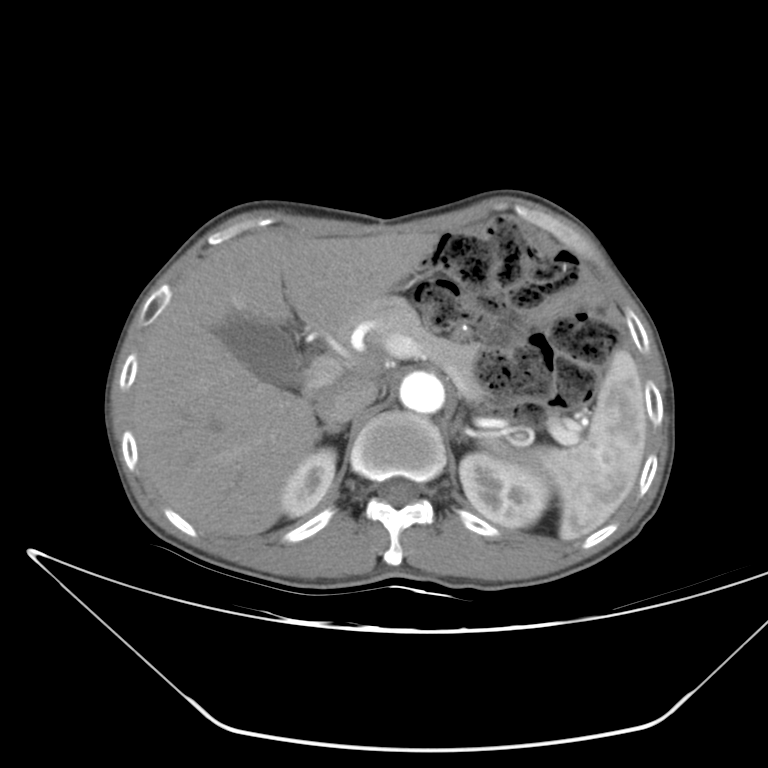
Computed tomography, abdomen · axial view · W/L 400/40 HU
<organs><organ name="gall bladder" x1="218" y1="316" x2="302" y2="385"/><organ name="spleen" x1="485" y1="349" x2="647" y2="540"/><organ name="right adrenal gland" x1="318" y1="424" x2="343" y2="437"/><organ name="pancreas" x1="333" y1="296" x2="482" y2="401"/><organ name="liver" x1="130" y1="228" x2="437" y2="536"/><organ name="left kidney" x1="459" y1="453" x2="550" y2="527"/><organ name="inferior vena cava" x1="316" y1="375" x2="378" y2="423"/><organ name="aorta" x1="399" y1="371" x2="444" y2="413"/><organ name="right kidney" x1="280" y1="448" x2="336" y2="516"/><organ name="left adrenal gland" x1="452" y1="412" x2="467" y2="441"/></organs>